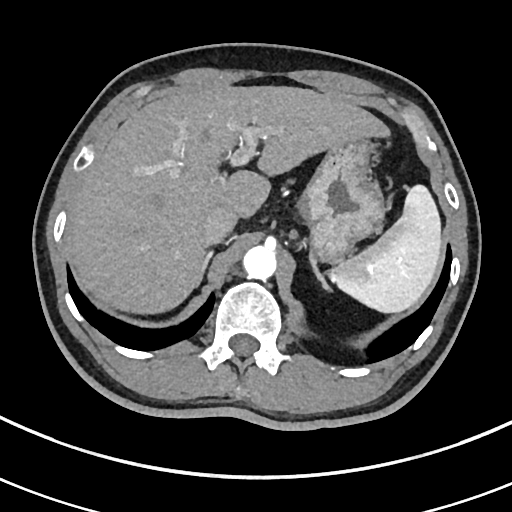

Abdominal CT · axial view · scan has 15 labeled organs (a whole-scan count: organs this slice does not pass through have no box)
Boxes: x1:y1:x2:y2 in pixels.
spleen: 330:184:442:313
liver: 65:85:388:315
stomach: 302:138:383:259
aorta: 243:245:275:278
inferior vena cava: 202:206:236:243
right adrenal gland: 196:250:213:284
left adrenal gland: 311:254:329:288